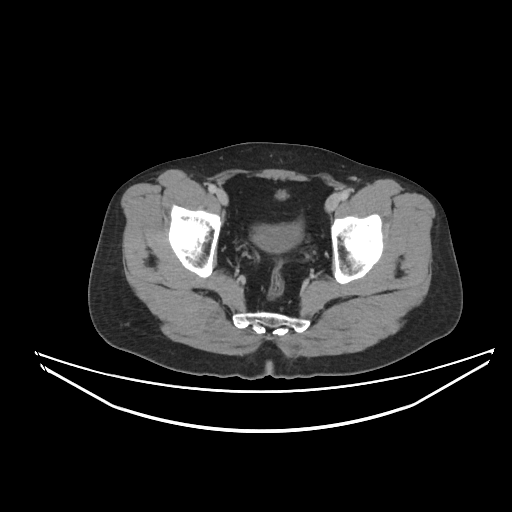 CT abdomen — axial view — abdomen soft-tissue window — Aquilion ONE scanner
Boxes: x1:y1:x2:y2 in pixels. The annotated organs in this slice are: bladder at 252:194:302:252.